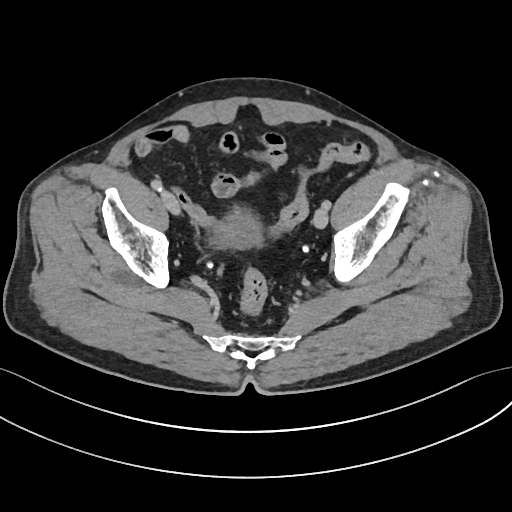
CT abdomen. Axial slice 58/224
{"organs":{"bladder":[212,214,260,246]}}